Abdominal CT · axial view · soft-tissue window · SOMATOM Force scanner · 15 organs annotated in this scan (that count is for the whole scan; organs this slice misses have no box)
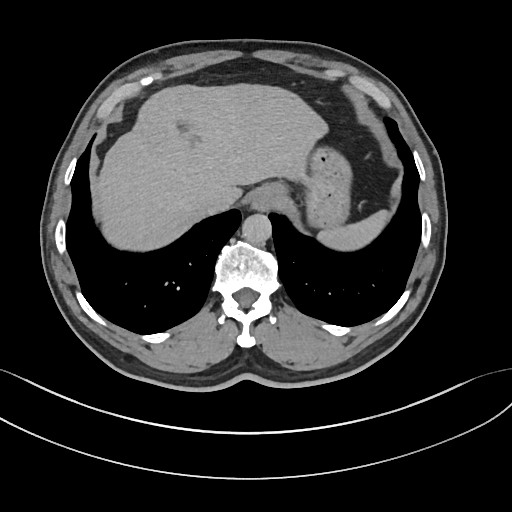

Box edges are left/top/right/bottom in pixels. Labeled organs on this slice: spleen at left=315, top=209, right=389, bottom=249, esophagus at left=250, top=182, right=284, bottom=210, liver at left=95, top=82, right=328, bottom=250, stomach at left=300, top=149, right=351, bottom=230, aorta at left=241, top=213, right=271, bottom=243, inferior vena cava at left=200, top=190, right=228, bottom=215.